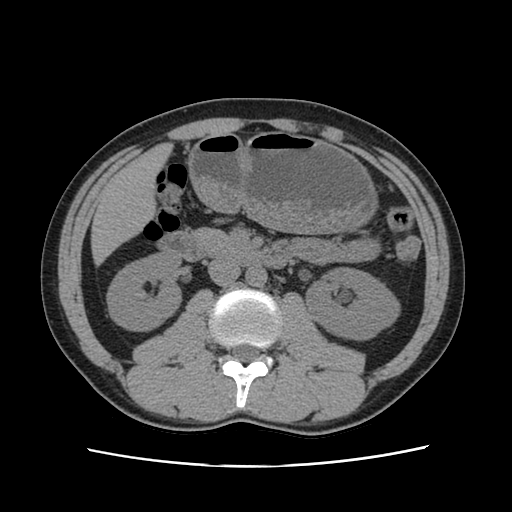
Abdominal CT — Axial slice 111/167 — abdomen soft-tissue window
Bounding boxes as [x1, y1, x2, y2] in pixel coordinates. The annotated organs in this slice are: right kidney at [107, 252, 180, 330], left kidney at [305, 267, 399, 339], liver at [90, 142, 173, 265], stomach at [188, 131, 377, 233], aorta at [245, 266, 267, 287], inferior vena cava at [208, 259, 240, 286], pancreas at [193, 228, 237, 249], duodenum at [158, 232, 290, 268].